CT, abdomen/pelvis · axial view
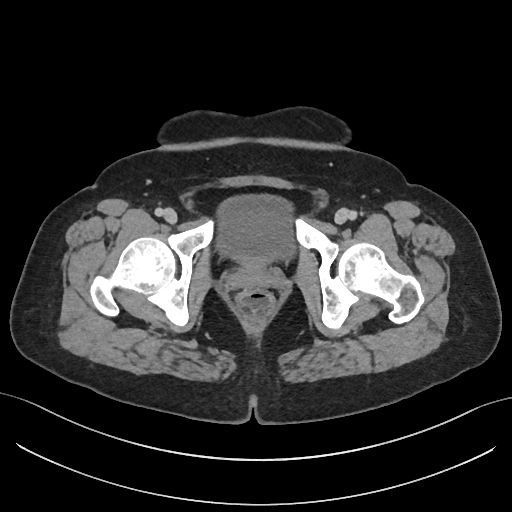
Boxes: x1 y1 x2 y2 (pixel coords, space-separated).
Organ bounding boxes:
- bladder: 217 194 295 265